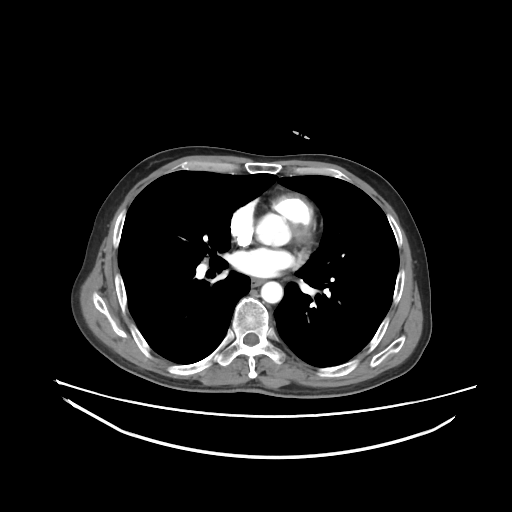 Abdominal CT reaching into the chest; this slice is in the chest. axial view
At this level of the chest this dataset labels only the esophagus and the aorta, and each is boxed only where it is labeled; the heart and lungs are never labeled.
<organs><organ name="aorta" x1="260" y1="281" x2="282" y2="303"/><organ name="esophagus" x1="251" y1="278" x2="263" y2="286"/></organs>